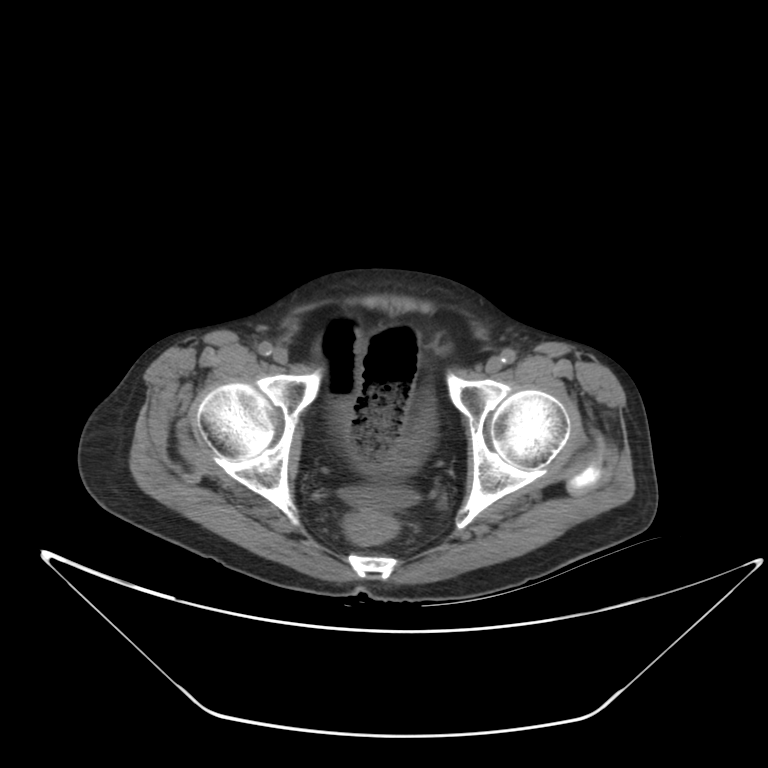

Abdominal CT. axial view. 768x768 px. 64-year-old male patient. scan has 15 labeled organs (counted over the whole 3D scan, not this slice; an organ is boxed only where this slice passes through it)
Coordinates as <box>x1,y1,x2,y2</box> in pixels. Labeled organs on this slice: bladder at <box>395,456,418,465</box>.